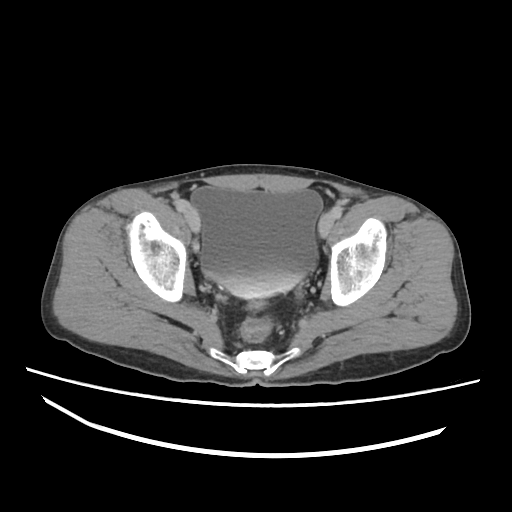 CT abdomen. axial view. 512x512 px. 40-year-old male patient. acquired on Aquilion ONE
One row per box, in pixels: columns x1 and y1 give the top-left corner, x2 and y2 the bottom-right.
| organ | x1 | y1 | x2 | y2 |
|---|---|---|---|---|
| bladder | 190 | 186 | 322 | 297 |